CT, abdomen/pelvis · axial view
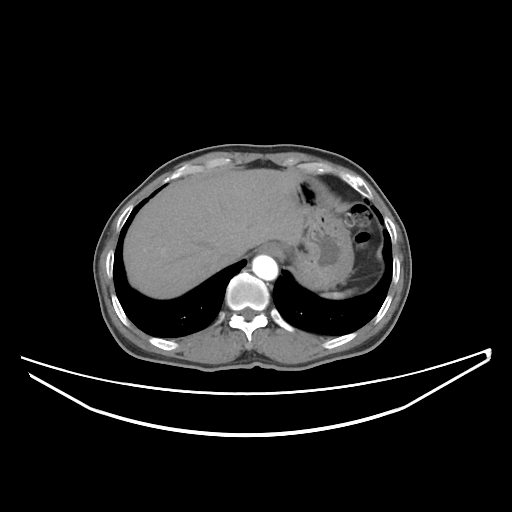

One row per box, in pixels: columns x1 and y1 give the top-left corner, x2 and y2 the bottom-right.
| organ | x1 | y1 | x2 | y2 |
|---|---|---|---|---|
| spleen | 322 | 291 | 351 | 299 |
| esophagus | 257 | 243 | 282 | 255 |
| liver | 123 | 168 | 306 | 298 |
| stomach | 291 | 177 | 353 | 289 |
| aorta | 252 | 255 | 277 | 280 |
| inferior vena cava | 216 | 252 | 240 | 266 |